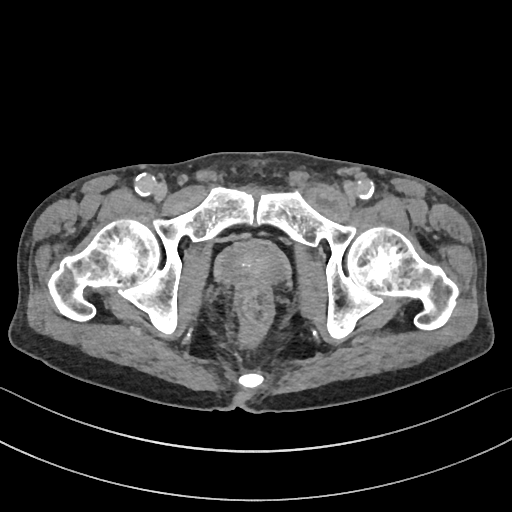
CT, abdomen/pelvis — axial plane, index 29 — 512x512 px
<organs><organ name="prostate/uterus" x1="221" y1="243" x2="284" y2="289"/></organs>